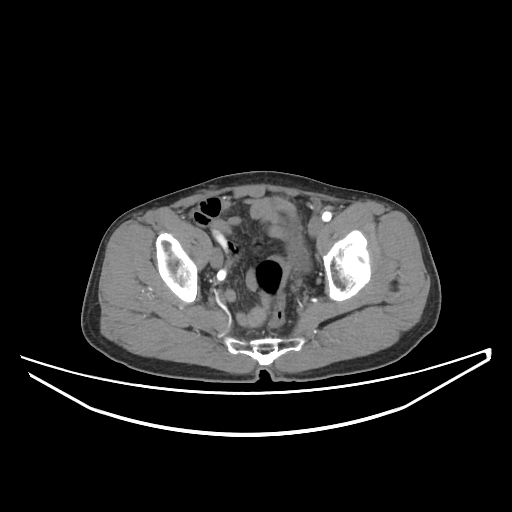 CT abdomen — axial view — soft-tissue window (W 400 / L 40) — 512x512 px
<organs><organ name="bladder" x1="283" y1="219" x2="310" y2="271"/></organs>